CT, abdomen/pelvis; axial plane, index 55; scan has 15 labeled organs (a whole-scan count: organs this slice does not pass through have no box)
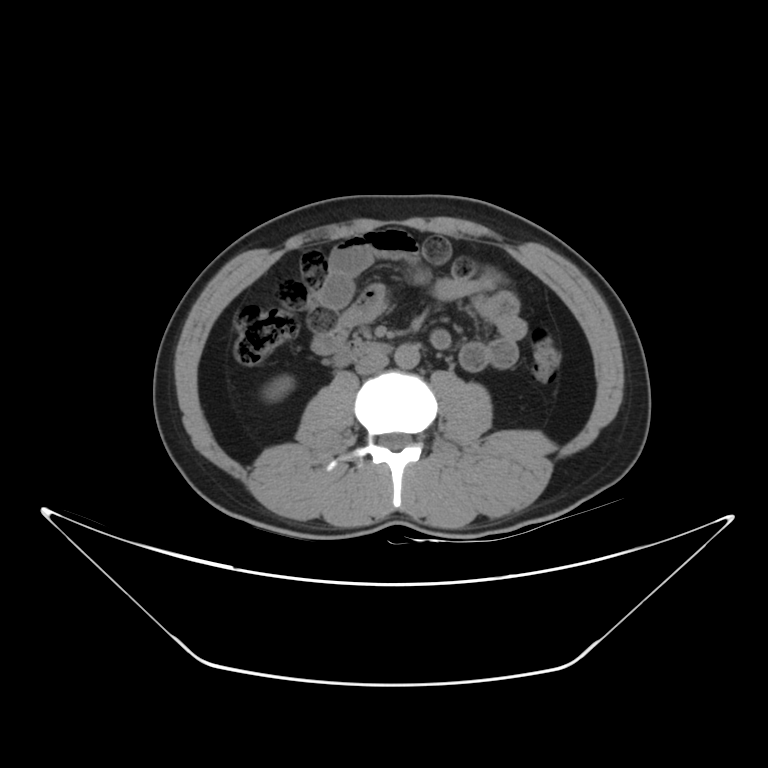 <organs><organ name="right kidney" x1="261" y1="376" x2="294" y2="401"/><organ name="aorta" x1="394" y1="343" x2="419" y2="368"/><organ name="inferior vena cava" x1="355" y1="352" x2="388" y2="375"/><organ name="duodenum" x1="333" y1="340" x2="389" y2="367"/></organs>